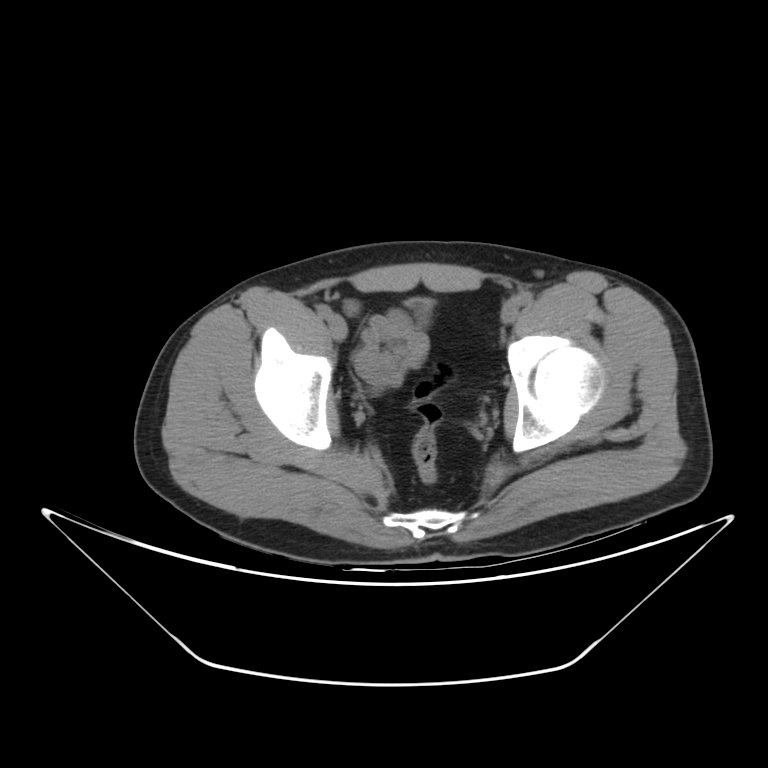
Computed tomography, abdomen. axial plane, index 19. W/L 400/40 HU. 768x768 px. acquired on Brilliance16
Coordinates as <box>x1,y1,x2,y2</box> in pixels.
bladder: <box>405,299,433,311</box>